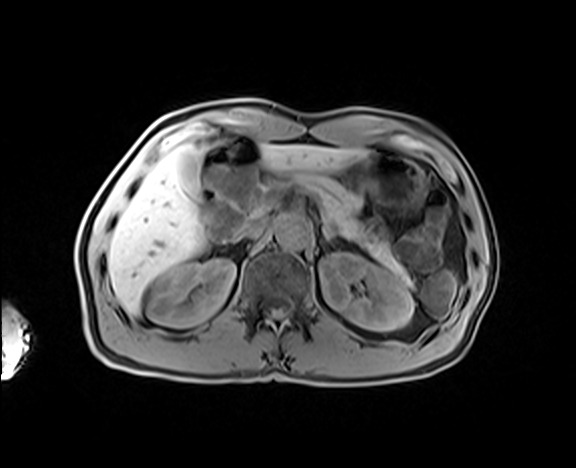

Magnetic resonance imaging, abdomen; Axial slice 33/72
Bounding boxes as [x1, y1, x2, y2] in pixel coordinates.
aorta: [276, 216, 311, 248]
gall bladder: [181, 154, 205, 202]
liver: [108, 144, 367, 314]
left kidney: [319, 252, 414, 331]
right kidney: [147, 259, 235, 326]
pancreas: [298, 174, 409, 281]
stomach: [343, 152, 424, 209]
inferior vena cava: [237, 217, 266, 238]
left adrenal gland: [322, 228, 334, 240]